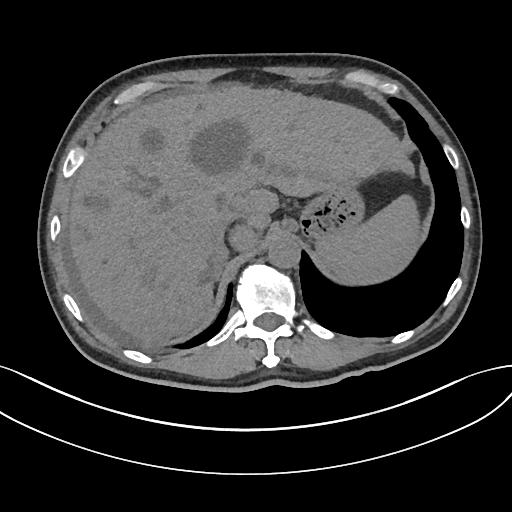
Computed tomography, abdomen · axial view
Coordinates as <box>x1,y1,x2,y2</box> in pixels.
Organ bounding boxes:
- spleen: <box>316,194,419,284</box>
- liver: <box>69,83,412,340</box>
- stomach: <box>299,186,364,240</box>
- aorta: <box>268,235,300,268</box>
- inferior vena cava: <box>210,207,239,234</box>
- right adrenal gland: <box>211,242,225,281</box>